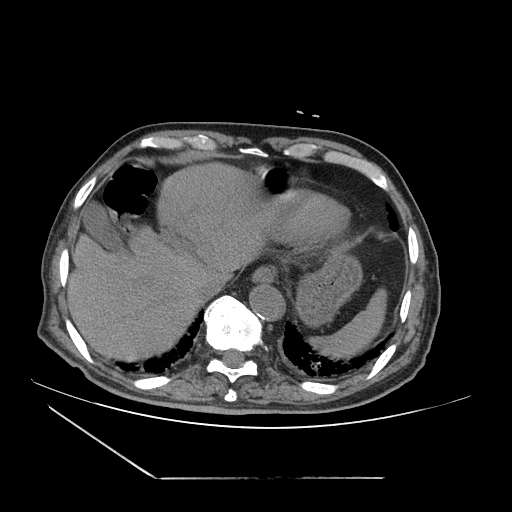 CT, abdomen/pelvis. axial plane, index 158. SOMATOM Force scanner
{"organs":{"esophagus":[251,267,275,284],"spleen":[309,288,387,358],"stomach":[253,165,362,326],"gall bladder":[82,202,127,253],"inferior vena cava":[194,278,224,298],"liver":[67,164,272,361],"aorta":[249,284,284,320]}}